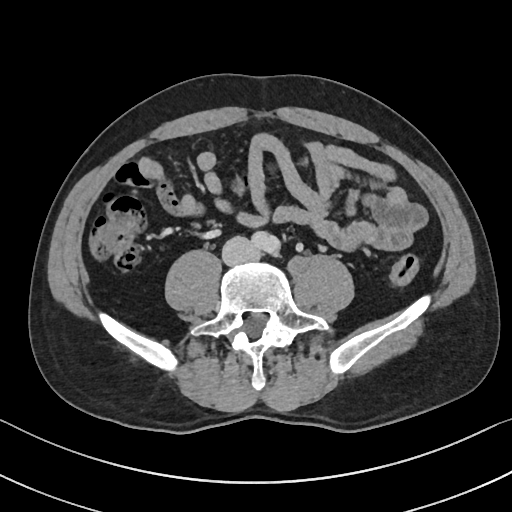

CT abdomen. Axial slice 84/291. soft-tissue window (W 400 / L 40)
Organ boxes in pixel coordinates; each row gives the top-left (x1, y1) and bottom-right (x2, y2) corners.
| organ | x1 | y1 | x2 | y2 |
|---|---|---|---|---|
| aorta | 252 | 231 | 279 | 253 |
| inferior vena cava | 222 | 235 | 258 | 265 |